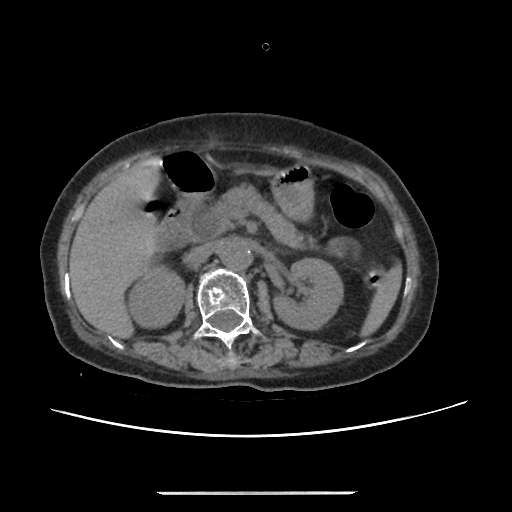

CT, abdomen/pelvis · axial plane, index 238 · soft-tissue window (W 400 / L 40)
{"organs":{"spleen":[361,263,402,336],"right kidney":[128,266,184,327],"left kidney":[273,258,343,329],"liver":[69,158,277,338],"stomach":[271,165,313,220],"aorta":[219,239,252,270],"inferior vena cava":[185,243,212,263],"pancreas":[202,184,316,249],"duodenum":[156,151,214,251]}}